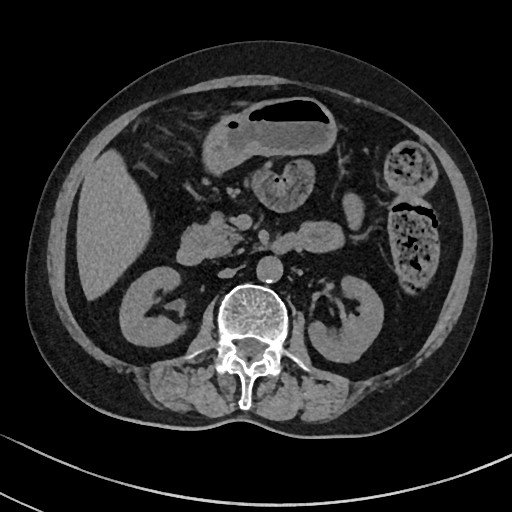
Computed tomography, abdomen; axial view; 15 organs annotated in this scan (that count is for the whole scan; organs this slice misses have no box)
Bounding boxes as [x1, y1, x2, y2] in pixel coordinates.
stomach: [205, 98, 335, 173]
pancreas: [190, 217, 243, 256]
aorta: [256, 255, 283, 282]
liver: [75, 152, 149, 298]
inferior vena cava: [219, 268, 236, 277]
left kidney: [310, 274, 384, 360]
right kidney: [119, 266, 182, 344]
duodenum: [176, 232, 296, 266]